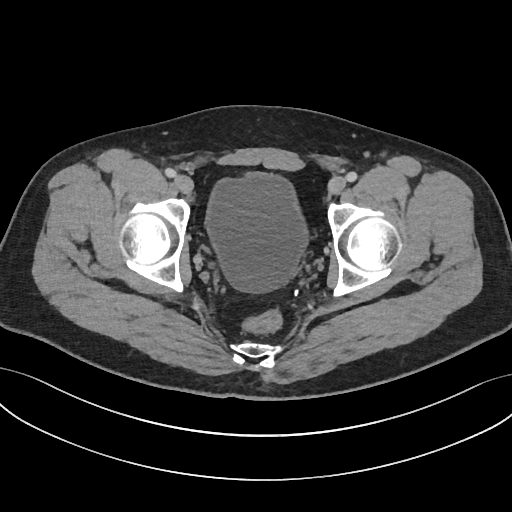 CT, abdomen/pelvis; Axial slice 42/345
Organ boxes in pixel coordinates; each row gives the top-left (x1, y1) and bottom-right (x2, y2) corners.
| organ | x1 | y1 | x2 | y2 |
|---|---|---|---|---|
| bladder | 206 | 173 | 308 | 292 |